CT abdomen; axial plane, index 57; W/L 400/40 HU; 512x512 px; acquired on Aquilion ONE; scan has 14 labeled organs (that count is for the whole scan; organs this slice misses have no box)
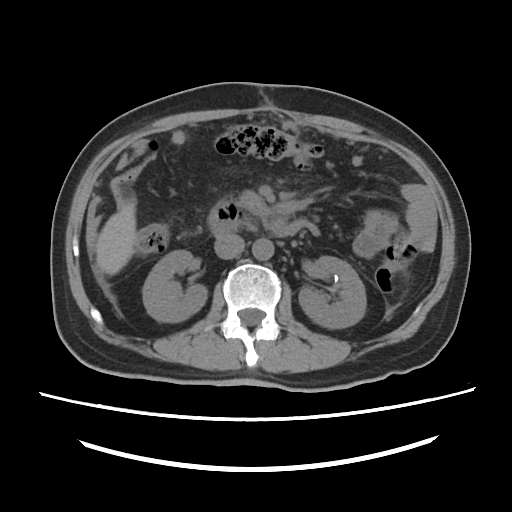 Each box given as x1,y1,x2,y2.
Organ bounding boxes:
- right kidney: x1=143, y1=250, x2=207, y2=322
- left kidney: x1=298, y1=256, x2=366, y2=328
- liver: x1=96, y1=205, x2=136, y2=274
- aorta: x1=252, y1=238, x2=273, y2=260
- inferior vena cava: x1=214, y1=234, x2=244, y2=259
- pancreas: x1=239, y1=190, x2=270, y2=223
- duodenum: x1=208, y1=201, x2=314, y2=237